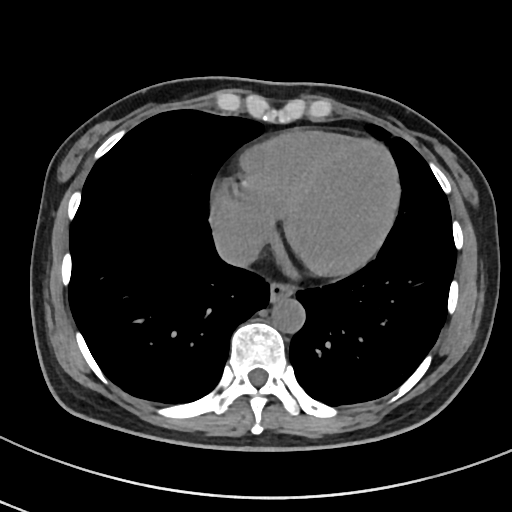
Abdominal CT; this slice is in the lower chest, just above the liver — axial view — soft-tissue window, W/L 400/40 — SOMATOM Force scanner
No part of the heart or lungs is labeled in this dataset, so neither has a box here. Boxes are (x1, y1, x2, y2) in pixels. The annotated organs in this slice are: esophagus at (269, 284, 293, 303), aorta at (272, 298, 305, 333), inferior vena cava at (215, 231, 260, 265).